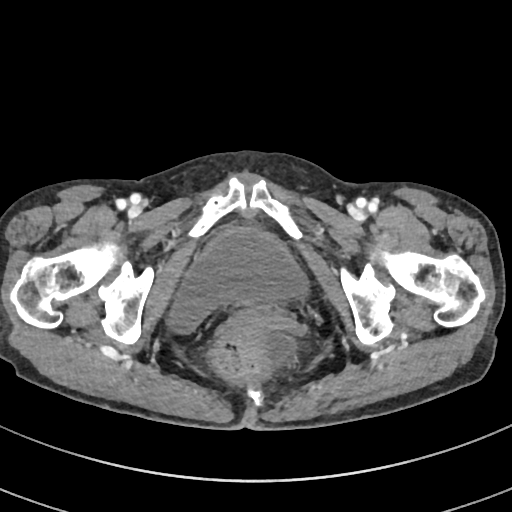
CT abdomen — axial plane, index 11 — 512x512 px — SOMATOM Force scanner
Boxes are (x1, y1, x2, y2) in pixels. The annotated organs in this slice are: bladder at (170, 227, 308, 330).